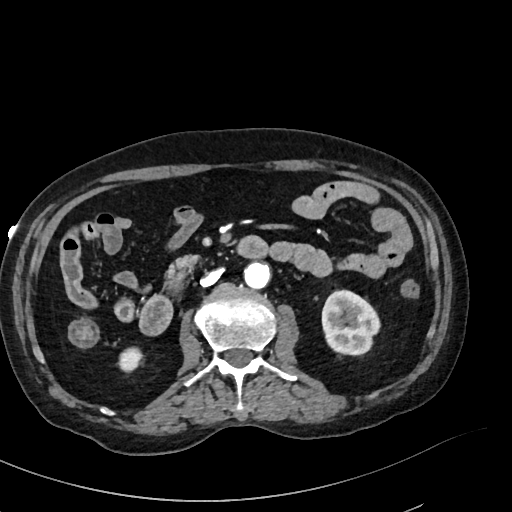
Computed tomography, abdomen; axial view; 512x512 px
Boxes are (x1, y1, x2, y2) in pixels.
right kidney: (118, 347, 140, 370)
left kidney: (321, 290, 379, 354)
aorta: (243, 262, 270, 290)
inferior vena cava: (200, 270, 220, 287)
pancreas: (167, 254, 198, 279)
duodenum: (139, 237, 268, 335)